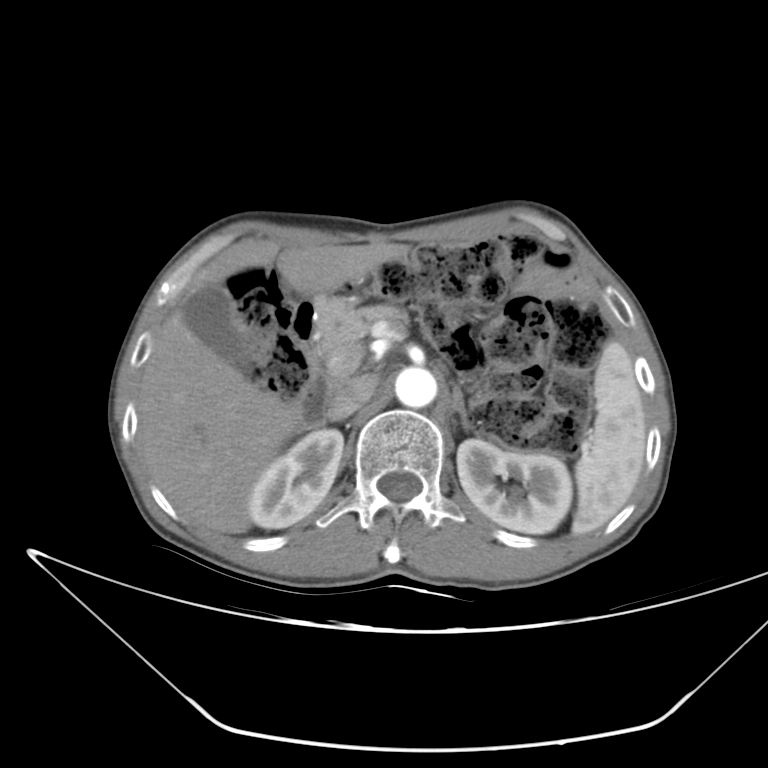
Abdominal CT; axial plane, index 41; abdomen soft-tissue window; 62-year-old male patient
{"organs":{"spleen":[571,341,646,536],"right kidney":[248,428,343,528],"left kidney":[457,439,571,533],"gall bladder":[183,284,252,368],"liver":[138,238,409,533],"aorta":[394,366,437,408],"inferior vena cava":[326,374,378,421],"pancreas":[317,298,406,354],"left adrenal gland":[451,388,475,431],"duodenum":[291,300,332,429]}}